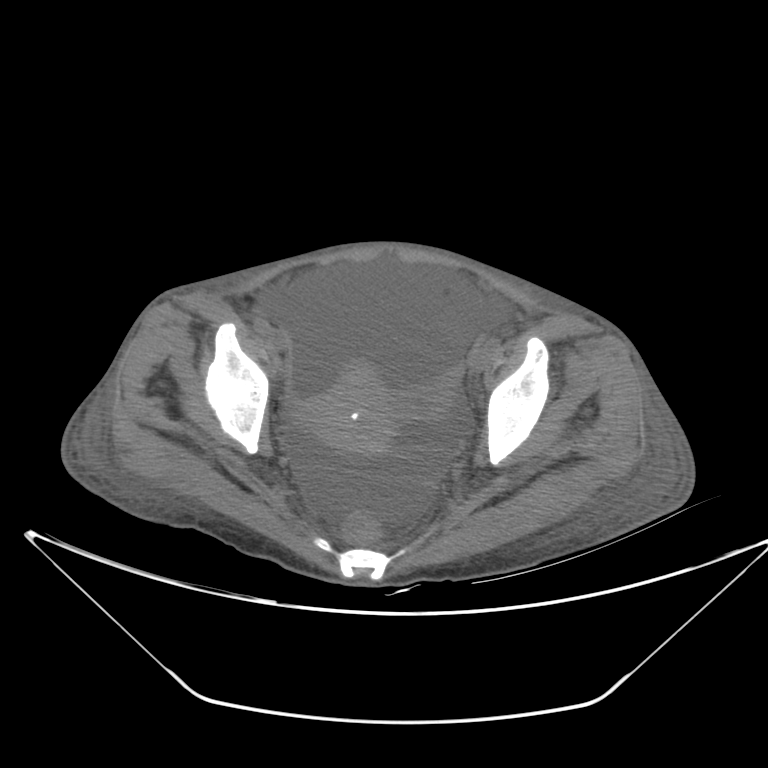

CT, abdomen/pelvis. axial plane, index 23. soft-tissue window (W 400 / L 40). 768x768 px. 15 organs annotated in this scan (a whole-scan count: organs this slice does not pass through have no box)
Boxes: x1:y1:x2:y2 in pixels. 1 labeled organ on this slice — prostate/uterus at 301:365:394:455.